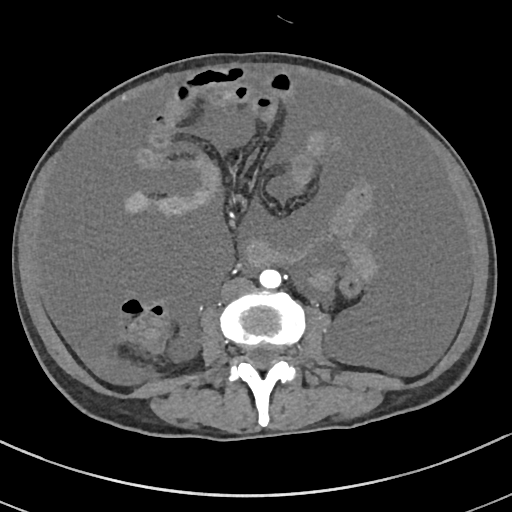

Computed tomography, abdomen. axial view. SOMATOM Force scanner. 15 organs annotated in this scan (counted over the whole 3D scan, not this slice; an organ is boxed only where this slice passes through it)
{"organs":{"inferior vena cava":[221,277,253,302],"aorta":[259,269,281,288]}}